Computed tomography, abdomen — axial view — soft-tissue window (W 400 / L 40) — 512x512 px — 15 organs annotated in this scan (a whole-scan count: organs this slice does not pass through have no box)
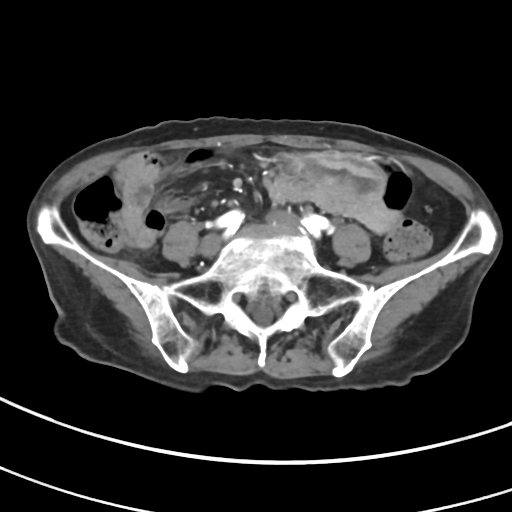

Box edges are left/top/right/bottom in pixels. The annotated organs in this slice are: stomach at left=286, top=151, right=384, bottom=199.